Computed tomography, abdomen — axial view — W/L 400/40 HU
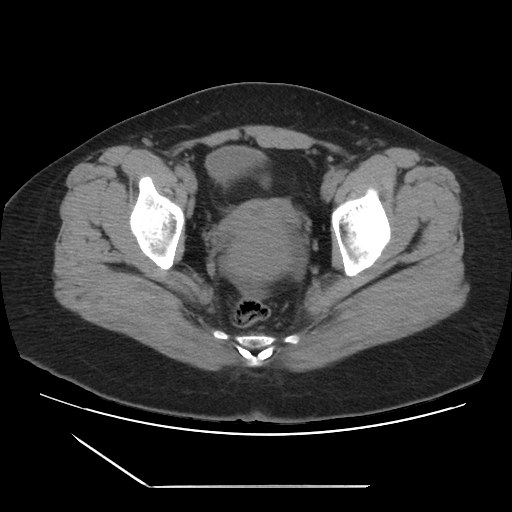
Coordinates as <box>x1,y1,x2,y2</box> in pixels. The annotated organs in this slice are: prostate/uterus at <box>221,199,294,283</box>, bladder at <box>207,147,263,181</box>.